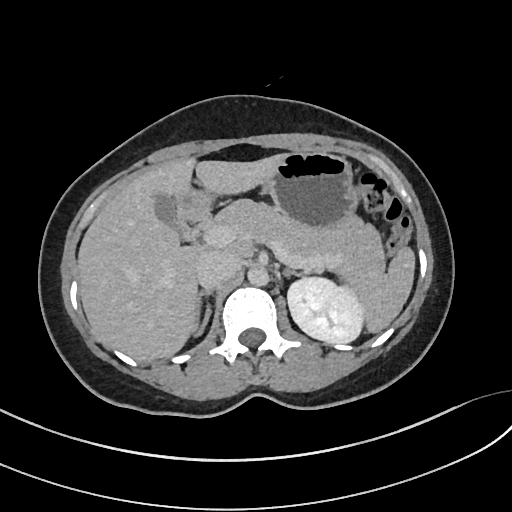
CT, abdomen/pelvis — Axial slice 163/219 — soft-tissue window — 512x512 px
Boxes: x1:y1:x2:y2 in pixels. Labeled organs on this slice: aorta at 248:267:269:287, pancreas at 209:201:387:272, stomach at 176:151:355:229, left adrenal gland at 279:268:304:280, inferior vena cava at 197:251:239:288, right adrenal gland at 197:289:214:335, liver at 76:154:285:363, duodenum at 179:207:210:240, left kidney at 288:276:362:343, spleen at 331:247:416:334, gall bladder at 157:197:187:238.